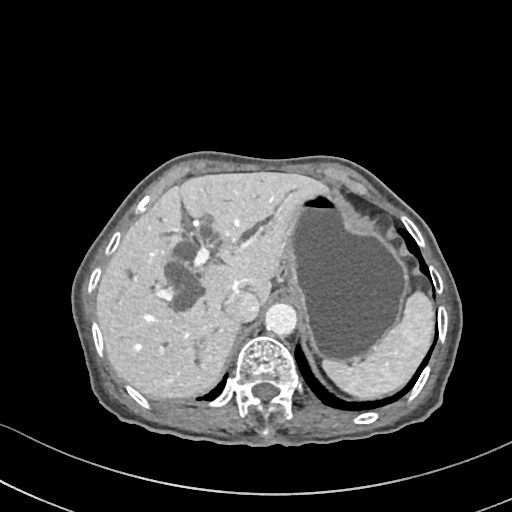
CT, abdomen/pelvis · axial view · scan has 15 labeled organs (a whole-scan count: organs this slice does not pass through have no box)
{"organs":{"spleen":[324,291,432,397],"liver":[96,172,327,398],"stomach":[283,192,407,364],"aorta":[264,303,297,336],"inferior vena cava":[223,291,259,322]}}